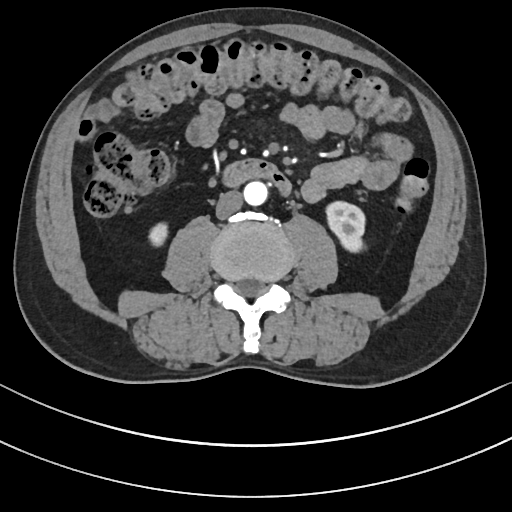 Computed tomography, abdomen · axial view · acquired on SOMATOM Force
Boxes are (x1, y1, x2, y2) in pixels.
Organ bounding boxes:
- inferior vena cava: (215, 191, 242, 219)
- right kidney: (148, 223, 167, 244)
- aorta: (243, 182, 266, 206)
- duodenum: (221, 159, 291, 196)
- left kidney: (326, 200, 366, 252)